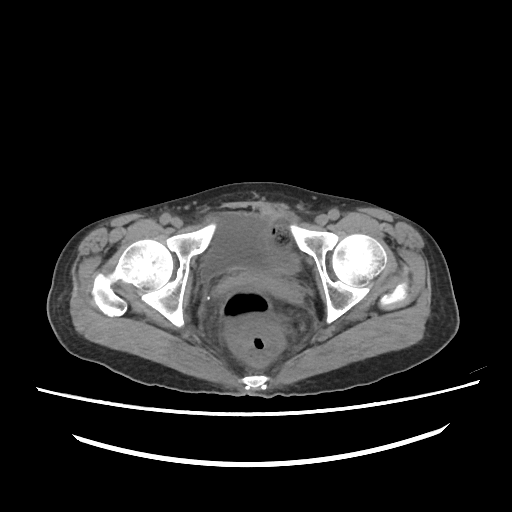

Abdominal CT; axial view; 58-year-old female patient
One row per box, in pixels: columns x1 and y1 give the top-left corner, x2 and y2 the bottom-right.
| organ | x1 | y1 | x2 | y2 |
|---|---|---|---|---|
| bladder | 200 | 213 | 297 | 283 |